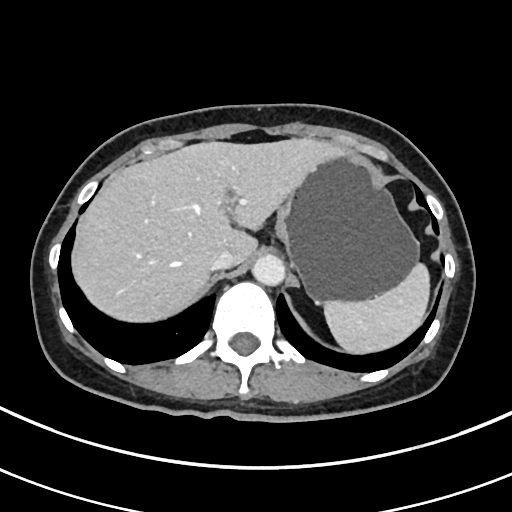

CT, abdomen/pelvis; Axial slice 165/192; W/L 400/40 HU
One row per box, in pixels: columns x1 and y1 give the top-left corner, x2 and y2 the bottom-right.
| organ | x1 | y1 | x2 | y2 |
|---|---|---|---|---|
| inferior vena cava | 209 | 249 | 235 | 270 |
| spleen | 323 | 261 | 429 | 355 |
| stomach | 274 | 148 | 419 | 301 |
| liver | 72 | 137 | 339 | 321 |
| aorta | 251 | 253 | 284 | 284 |